Abdominal CT. axial view. abdomen soft-tissue window. 512x512 px
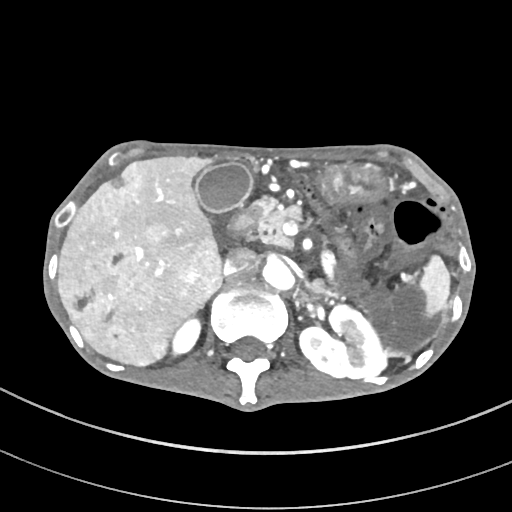 {"organs":{"spleen":[419,255,451,317],"right kidney":[170,319,201,356],"left kidney":[299,302,388,379],"gall bladder":[195,163,252,211],"liver":[58,155,222,365],"stomach":[317,161,387,204],"aorta":[263,259,294,290],"inferior vena cava":[223,248,254,274],"pancreas":[250,199,302,246],"left adrenal gland":[294,290,307,303],"duodenum":[228,208,256,236]}}